Computed tomography, abdomen. axial view
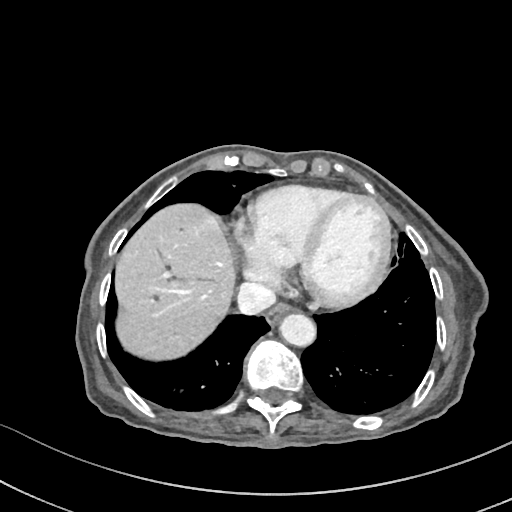
Bounding boxes as [x1, y1, x2, y2] in pixel coordinates.
inferior vena cava: [236, 282, 276, 314]
liver: [116, 203, 233, 360]
aorta: [281, 314, 317, 347]
esophagus: [266, 305, 291, 327]